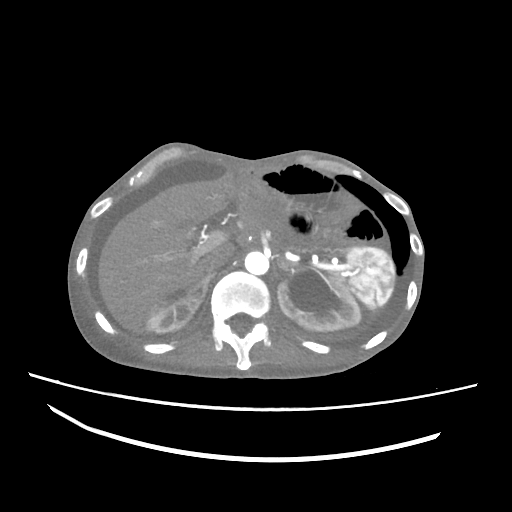 CT, abdomen/pelvis. axial plane, index 68
Coordinates as <box>x1,y1,x2,y2</box> in pixels. 9 labeled organs on this slice — spleen at <box>347,248,393,309</box>; right kidney at <box>146,296,197,333</box>; left kidney at <box>277,272,360,331</box>; liver at <box>98,174,236,333</box>; stomach at <box>296,205,300,207</box>; aorta at <box>244,251,269,275</box>; inferior vena cava at <box>203,251,232,275</box>; right adrenal gland at <box>188,274,212,305</box>; left adrenal gland at <box>278,257,301,273</box>.